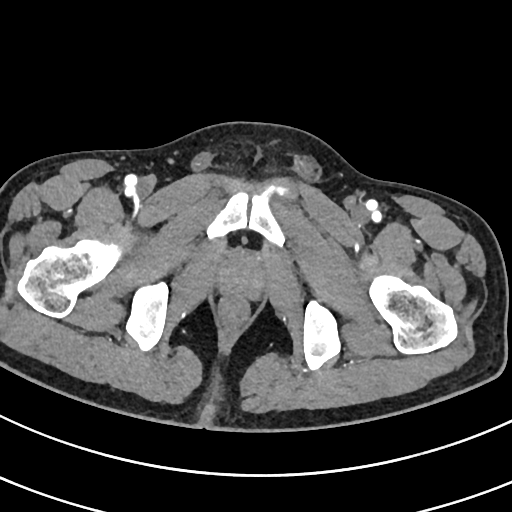
CT, abdomen/pelvis. axial view
Box edges are left/top/right/bottom in pixels.
prostate/uterus: left=217, top=256, right=263, bottom=298